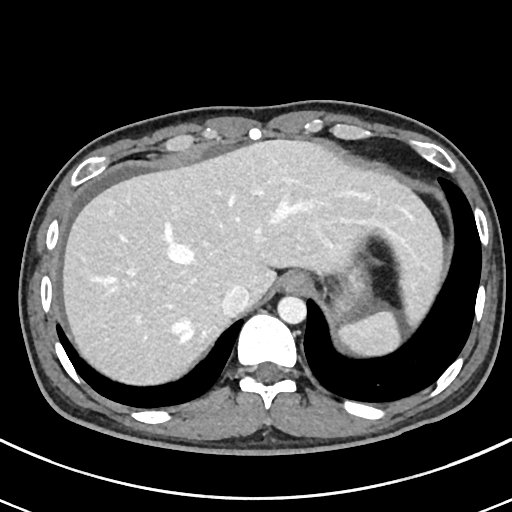
CT abdomen · Axial slice 187/218 · 512x512 px · acquired on SOMATOM Force
Boxes: x1:y1:x2:y2 in pixels.
Organ bounding boxes:
- aorta: 277:296:306:324
- esophagus: 280:272:310:292
- liver: 62:139:442:385
- inferior vena cava: 221:285:250:316
- spleen: 338:310:401:356
- stomach: 334:260:370:317